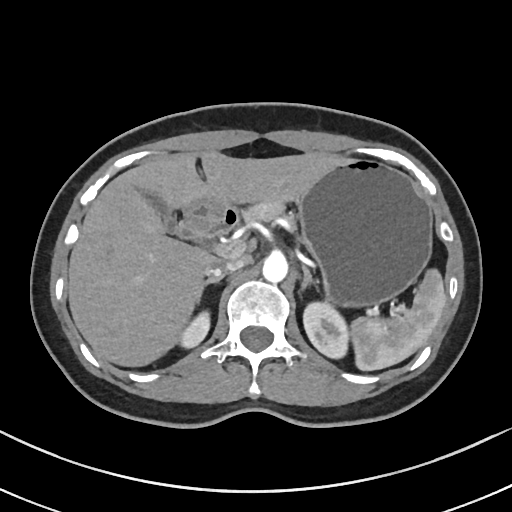
Abdominal CT; Axial slice 182/242
One row per box, in pixels: columns x1 and y1 give the top-left corner, x2 and y2 the bottom-right.
| organ | x1 | y1 | x2 | y2 |
|---|---|---|---|---|
| spleen | 349 | 269 | 446 | 370 |
| right kidney | 183 | 310 | 211 | 350 |
| left kidney | 302 | 298 | 349 | 359 |
| gall bladder | 141 | 187 | 178 | 234 |
| liver | 68 | 150 | 345 | 365 |
| stomach | 184 | 157 | 431 | 303 |
| aorta | 262 | 254 | 288 | 281 |
| inferior vena cava | 207 | 256 | 249 | 276 |
| pancreas | 240 | 198 | 292 | 223 |
| right adrenal gland | 202 | 277 | 221 | 286 |
| left adrenal gland | 302 | 266 | 319 | 290 |
| duodenum | 178 | 207 | 237 | 240 |